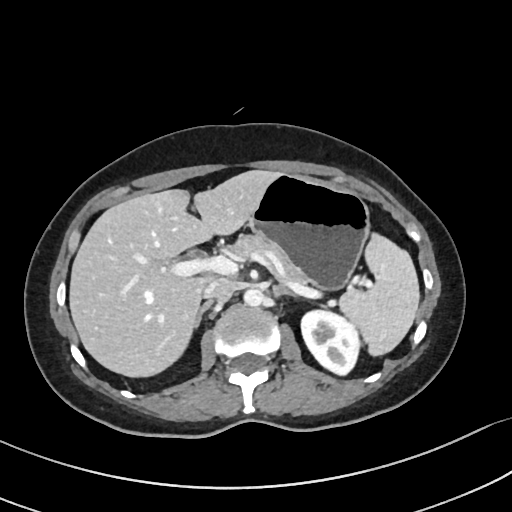 CT abdomen · axial view
Coordinates as <box>x1,y1,x2,y2</box> in pixels.
Organ bounding boxes:
- spleen: <box>337,235,419,356</box>
- left kidney: <box>301,309,359,376</box>
- liver: <box>68,170,279,378</box>
- stomach: <box>249,174,371,291</box>
- aorta: <box>244,289,266,307</box>
- inferior vena cava: <box>203,277,234,301</box>
- pancreas: <box>233,235,304,286</box>
- right adrenal gland: <box>194,302,212,329</box>
- left adrenal gland: <box>271,285,300,297</box>